Computed tomography, abdomen · Axial slice 77/99 · soft-tissue window (W 400 / L 40) · 768x768 px · 43-year-old female patient · Brilliance16 scanner · 15 organs annotated in this scan (that count is for the whole scan; organs this slice misses have no box)
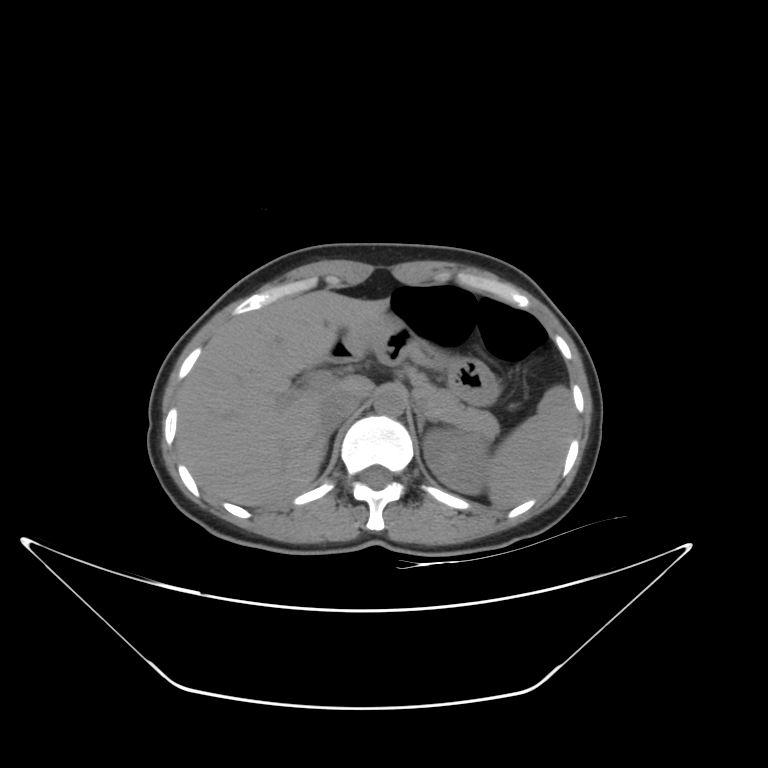
Each box given as x1,y1,x2,y2. Labeled organs on this slice: spleen at x1=487, y1=385, x2=576, y2=508, left kidney at x1=423, y1=428, x2=490, y2=494, liver at x1=176, y1=290, x2=388, y2=506, stomach at x1=344, y1=316, x2=500, y2=404, aorta at x1=374, y1=384, x2=406, y2=416, inferior vena cava at x1=319, y1=390, x2=360, y2=428, pancreas at x1=404, y1=365, x2=499, y2=442, right adrenal gland at x1=321, y1=429, x2=333, y2=461, left adrenal gland at x1=415, y1=410, x2=438, y2=437, duodenum at x1=331, y1=344, x2=357, y2=363.